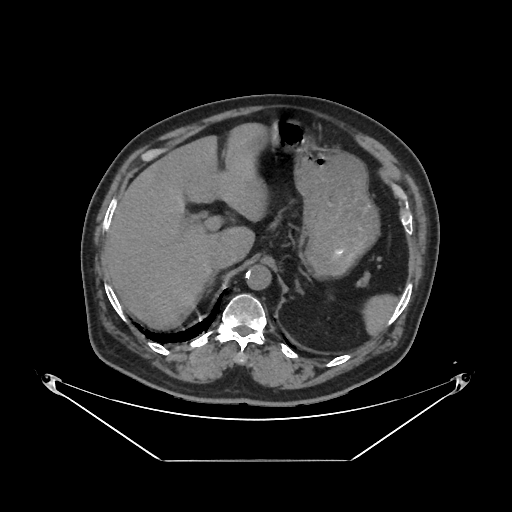

Computed tomography, abdomen; axial view; SOMATOM Force scanner; scan has 15 labeled organs (counted over the whole 3D scan, not this slice; an organ is boxed only where this slice passes through it)
Organ boxes in pixel coordinates; each row gives the top-left (x1, y1) and bottom-right (x2, y2) corners.
| organ | x1 | y1 | x2 | y2 |
|---|---|---|---|---|
| spleen | 364 | 296 | 396 | 335 |
| liver | 106 | 123 | 269 | 328 |
| stomach | 272 | 121 | 379 | 277 |
| aorta | 245 | 265 | 271 | 290 |
| inferior vena cava | 210 | 250 | 235 | 271 |
| left adrenal gland | 296 | 281 | 303 | 294 |